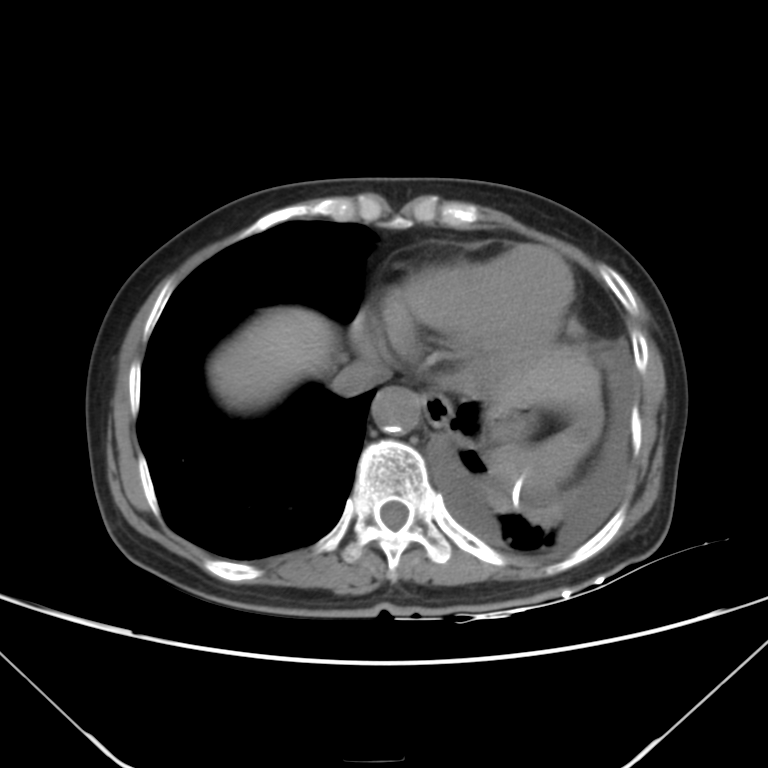 Abdominal CT · axial view · W/L 400/40 HU · 768x768 px · 63-year-old female patient · 15 organs annotated in this scan (that count is for the whole scan; organs this slice misses have no box)
<organs><organ name="inferior vena cava" x1="332" y1="360" x2="388" y2="395"/><organ name="stomach" x1="488" y1="404" x2="527" y2="444"/><organ name="esophagus" x1="421" y1="393" x2="453" y2="428"/><organ name="aorta" x1="372" y1="387" x2="421" y2="434"/><organ name="liver" x1="209" y1="307" x2="603" y2="427"/><organ name="spleen" x1="487" y1="421" x2="599" y2="495"/></organs>